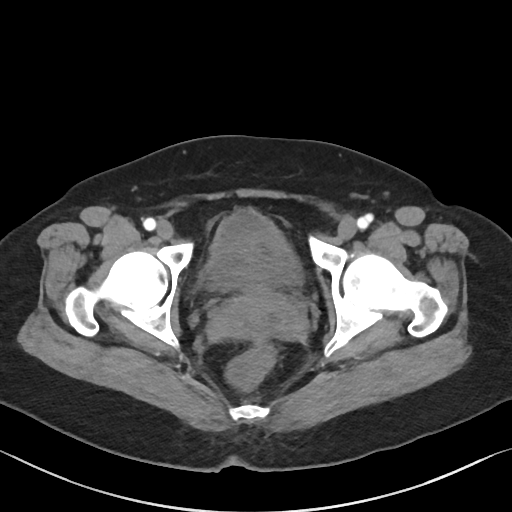 Computed tomography, abdomen. Axial slice 9/88
Organ boxes in pixel coordinates; each row gives the top-left (x1, y1) and bottom-right (x2, y2) corners.
| organ | x1 | y1 | x2 | y2 |
|---|---|---|---|---|
| bladder | 203 | 209 | 301 | 290 |
| prostate/uterus | 210 | 283 | 301 | 338 |